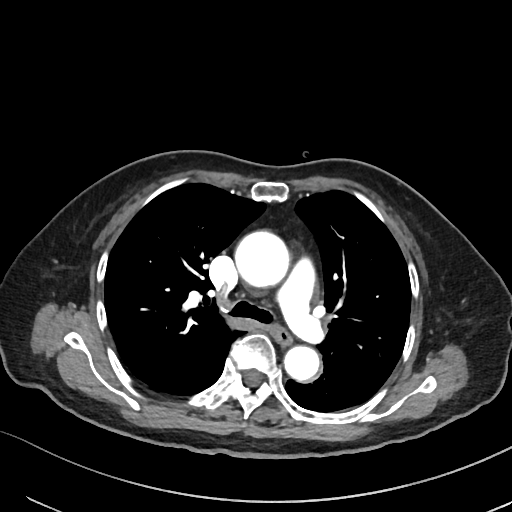 Chest-level slice from an abdominal CT that extends up into the chest — axial view — soft-tissue window, W/L 400/40 — SOMATOM Force scanner
At this level of the chest no structure but the esophagus and the aorta has a label in this dataset, and those two are boxed only where they are labeled.
Box edges are left/top/right/bottom in pixels.
Organ bounding boxes:
- aorta: left=234, top=230, right=289, bottom=287
- aorta: left=284, top=346, right=319, bottom=381
- esophagus: left=273, top=326, right=292, bottom=345